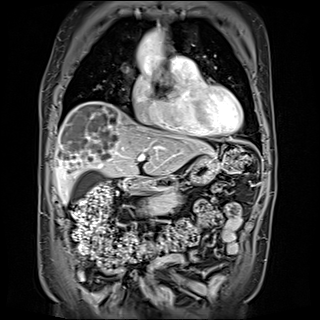

Magnetic resonance imaging, abdomen — coronal view — percentile-normalized
<organs><organ name="pancreas" x1="140" y1="190" x2="181" y2="214"/><organ name="liver" x1="55" y1="101" x2="214" y2="204"/><organ name="stomach" x1="129" y1="154" x2="219" y2="192"/><organ name="gall bladder" x1="70" y1="169" x2="103" y2="202"/><organ name="duodenum" x1="119" y1="177" x2="136" y2="190"/><organ name="aorta" x1="135" y1="32" x2="166" y2="55"/></organs>